Abdominal CT — axial view — soft-tissue window — 512x512 px — scan has 15 labeled organs (that count is for the whole scan; organs this slice misses have no box)
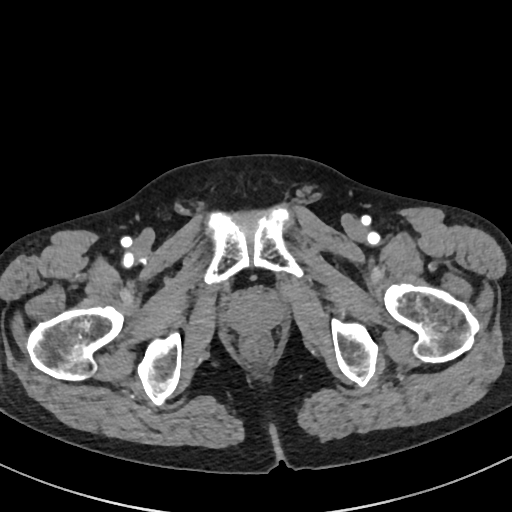
Coordinates as <box>x1,y1,x2,y2</box> in pixels.
Organ bounding boxes:
- prostate/uterus: <box>228,291,282,333</box>